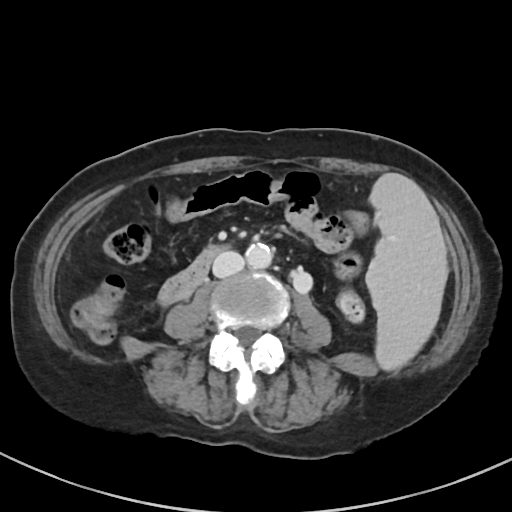

CT, abdomen/pelvis · Axial slice 43/78 · 512x512 px · 15 organs annotated in this scan (counted over the whole 3D scan, not this slice; an organ is boxed only where this slice passes through it)
One row per box, in pixels: columns x1 and y1 give the top-left corner, x2 and y2 the bottom-right.
| organ | x1 | y1 | x2 | y2 |
|---|---|---|---|---|
| spleen | 366 | 173 | 447 | 369 |
| aorta | 245 | 244 | 272 | 268 |
| inferior vena cava | 212 | 251 | 244 | 277 |
| duodenum | 159 | 245 | 224 | 304 |